Abdominal CT; Axial slice 243/353; abdomen soft-tissue window; 512x512 px; acquired on SOMATOM Force; scan has 14 labeled organs (counted over the whole 3D scan, not this slice; an organ is boxed only where this slice passes through it)
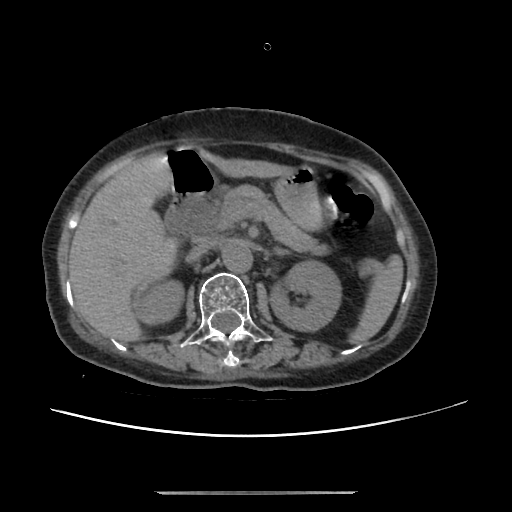

Box edges are left/top/right/bottom in pixels.
spleen: left=349, top=254, right=403, bottom=343
right kidney: left=133, top=279, right=184, bottom=324
left kidney: left=270, top=261, right=341, bottom=331
liver: left=68, top=150, right=292, bottom=342
stomach: left=274, top=167, right=322, bottom=229
aorta: left=222, top=241, right=252, bottom=273
inferior vena cava: left=186, top=242, right=214, bottom=262
pancreas: left=209, top=185, right=328, bottom=255
duodenum: left=166, top=149, right=215, bottom=237